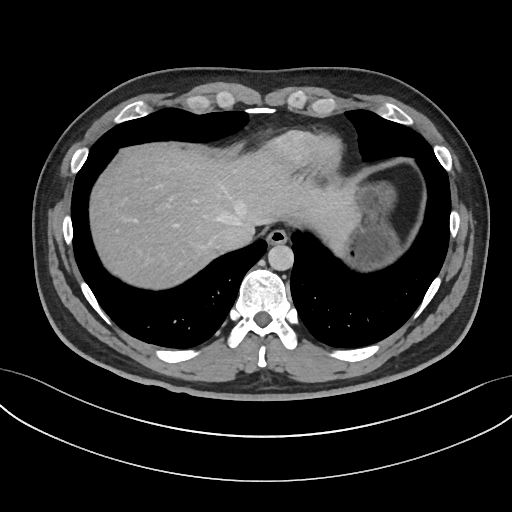
CT abdomen · axial plane, index 229 · abdomen soft-tissue window
<organs><organ name="esophagus" x1="267" y1="229" x2="288" y2="244"/><organ name="stomach" x1="337" y1="184" x2="399" y2="271"/><organ name="inferior vena cava" x1="210" y1="225" x2="255" y2="253"/><organ name="aorta" x1="268" y1="244" x2="293" y2="270"/><organ name="liver" x1="90" y1="141" x2="355" y2="289"/></organs>